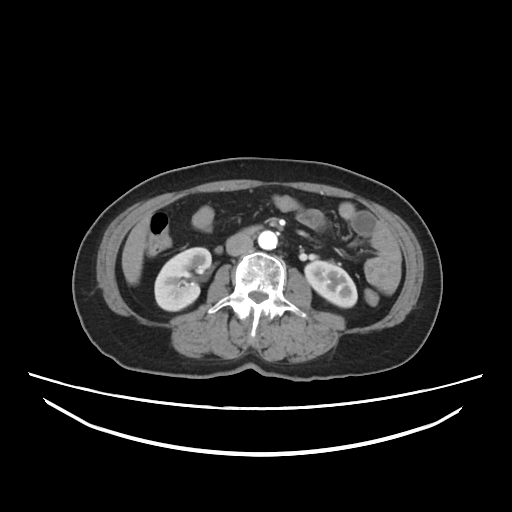
CT abdomen; axial view; 512x512 px; scan has 15 labeled organs (a whole-scan count: organs this slice does not pass through have no box)
Boxes are (x1, y1, x2, y2) in pixels.
Organ bounding boxes:
- right kidney: (155, 247, 210, 310)
- left kidney: (304, 261, 357, 307)
- liver: (122, 215, 151, 284)
- aorta: (258, 231, 277, 249)
- inferior vena cava: (225, 232, 254, 256)